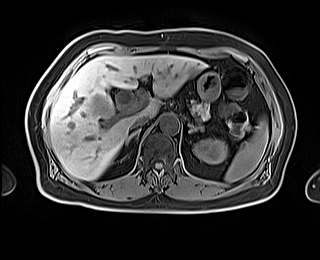

Magnetic resonance imaging, abdomen · Axial slice 41/72 · percentile-normalized · 320x260 px · scan has 13 labeled organs (counted over the whole 3D scan, not this slice; an organ is boxed only where this slice passes through it)
Box edges are left/top/right/bottom in pixels.
Organ bounding boxes:
- inferior vena cava: left=130, top=115, right=150, bottom=129
- right adrenal gland: left=126, top=129, right=140, bottom=145
- aorta: left=159, top=114, right=179, bottom=133
- left adrenal gland: left=190, top=124, right=202, bottom=132
- pancreas: left=192, top=101, right=209, bottom=119
- liver: left=49, top=54, right=206, bottom=180
- spleen: left=225, top=118, right=268, bottom=182
- left kidney: left=193, top=138, right=227, bottom=163
- stomach: left=197, top=72, right=220, bottom=100